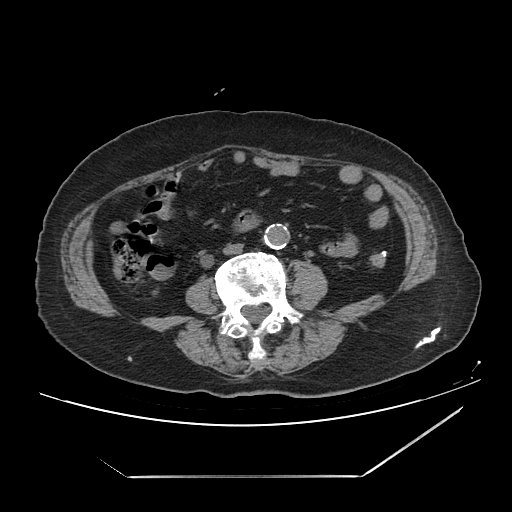
Computed tomography, abdomen; Axial slice 83/163; W/L 400/40 HU
Boxes are (x1, y1, x2, y2) in pixels.
Organ bounding boxes:
- aorta: (264, 224, 289, 249)
- inferior vena cava: (223, 243, 243, 255)